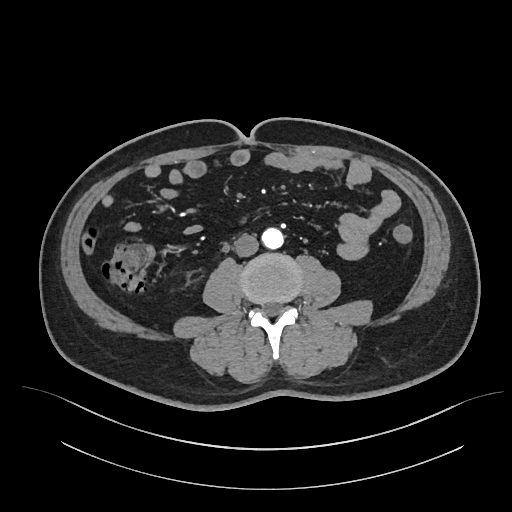 Computed tomography, abdomen; axial view; soft-tissue window (W 400 / L 40)
Bounding boxes as [x1, y1, x2, y2] in pixel coordinates.
aorta: [262, 228, 283, 249]
inferior vena cava: [235, 234, 258, 256]